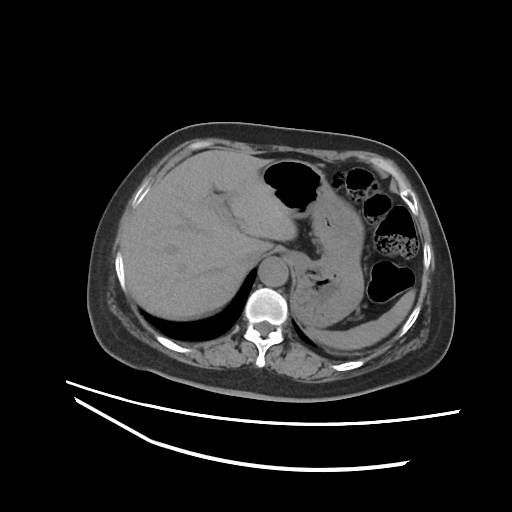

CT abdomen; Axial slice 73/84; abdomen soft-tissue window
One row per box, in pixels: columns x1 and y1 give the top-left corner, x2 and y2 the bottom-right.
| organ | x1 | y1 | x2 | y2 |
|---|---|---|---|---|
| spleen | 307 | 289 | 415 | 349 |
| liver | 121 | 150 | 296 | 320 |
| stomach | 262 | 159 | 364 | 327 |
| aorta | 258 | 257 | 288 | 286 |
| inferior vena cava | 244 | 249 | 263 | 266 |